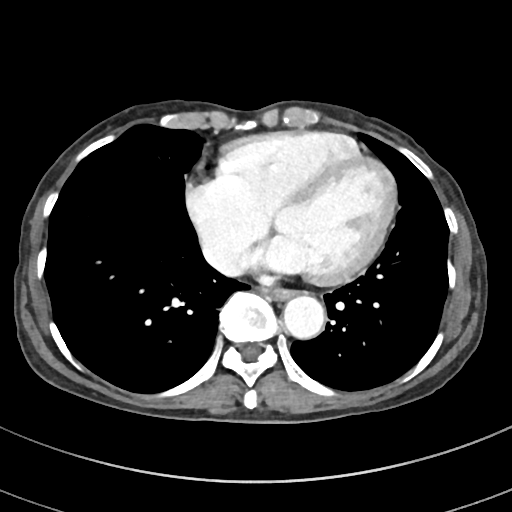 Lower-chest slice from an abdominal CT, just above the liver and spleen; Axial slice 184/198; soft-tissue window, W/L 400/40; 512x512 px; SOMATOM Force scanner; 14 organs annotated in this scan (a whole-scan count: organs this slice does not pass through have no box)
No part of the heart or lungs is labeled in this dataset, so neither has a box here.
<organs><organ name="esophagus" x1="265" y1="288" x2="293" y2="299"/><organ name="aorta" x1="283" y1="296" x2="324" y2="339"/><organ name="inferior vena cava" x1="203" y1="241" x2="241" y2="276"/></organs>